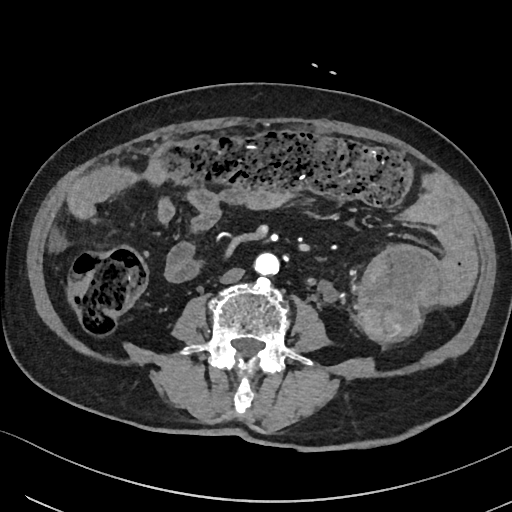

CT, abdomen/pelvis — axial view — soft-tissue window (W 400 / L 40) — SOMATOM Force scanner
Organ boxes in pixel coordinates; each row gives the top-left (x1, y1) and bottom-right (x2, y2) corners.
| organ | x1 | y1 | x2 | y2 |
|---|---|---|---|---|
| aorta | 253 | 252 | 278 | 275 |
| inferior vena cava | 220 | 267 | 244 | 283 |